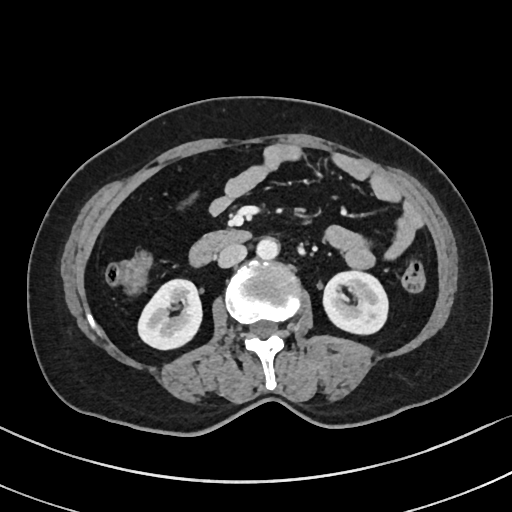 Computed tomography, abdomen · axial view · W/L 400/40 HU
Boxes: x1:y1:x2:y2 in pixels. Labeled organs on this slice: right kidney at 139:279:201:348, left kidney at 323:271:387:334, aorta at 257:236:280:258, inferior vena cava at 218:244:247:267, duodenum at 190:230:251:266.